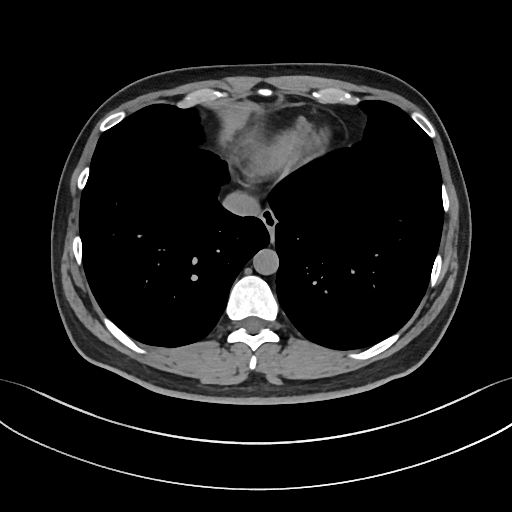

Abdominal CT; this slice is in the lower chest, just above the liver; axial plane, index 216; acquired on SOMATOM Force
Of the structures in the chest, this dataset labels only the esophagus, the aorta and the inferior vena cava; the heart and lungs have no label.
Bounding boxes in pixels, one row per box: x1, y1 is the top-left corner and x2, y2 the bottom-right.
| organ | x1 | y1 | x2 | y2 |
|---|---|---|---|---|
| esophagus | 260 | 208 | 276 | 234 |
| aorta | 253 | 249 | 278 | 274 |
| inferior vena cava | 222 | 191 | 260 | 216 |